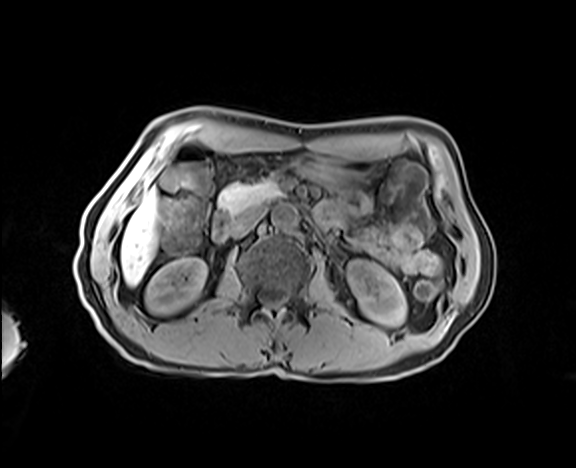

Magnetic resonance imaging, abdomen — axial view — 576x468 px — 13 organs annotated in this scan (that count is for the whole scan; organs this slice misses have no box)
<organs><organ name="right kidney" x1="145" y1="257" x2="206" y2="314"/><organ name="left kidney" x1="347" y1="259" x2="406" y2="325"/><organ name="liver" x1="121" y1="190" x2="156" y2="285"/><organ name="stomach" x1="294" y1="154" x2="372" y2="192"/><organ name="aorta" x1="272" y1="204" x2="298" y2="230"/><organ name="inferior vena cava" x1="230" y1="209" x2="264" y2="238"/><organ name="pancreas" x1="217" y1="180" x2="279" y2="213"/><organ name="duodenum" x1="212" y1="208" x2="233" y2="242"/></organs>